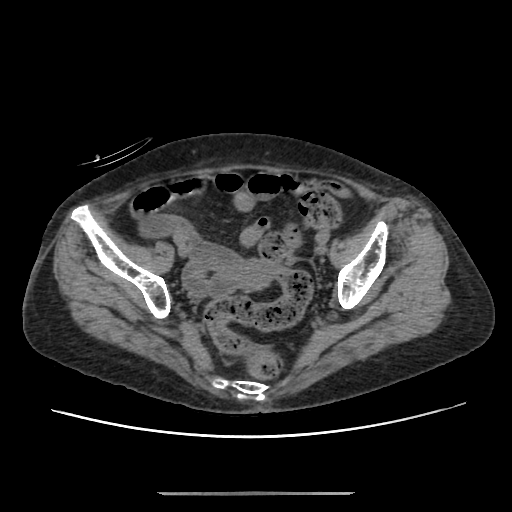 CT abdomen — Axial slice 93/353 — soft-tissue window (W 400 / L 40)
Organ boxes in pixel coordinates; each row gives the top-left (x1, y1) and bottom-right (x2, y2) corners.
| organ | x1 | y1 | x2 | y2 |
|---|---|---|---|---|
| prostate/uterus | 223 | 259 | 280 | 287 |